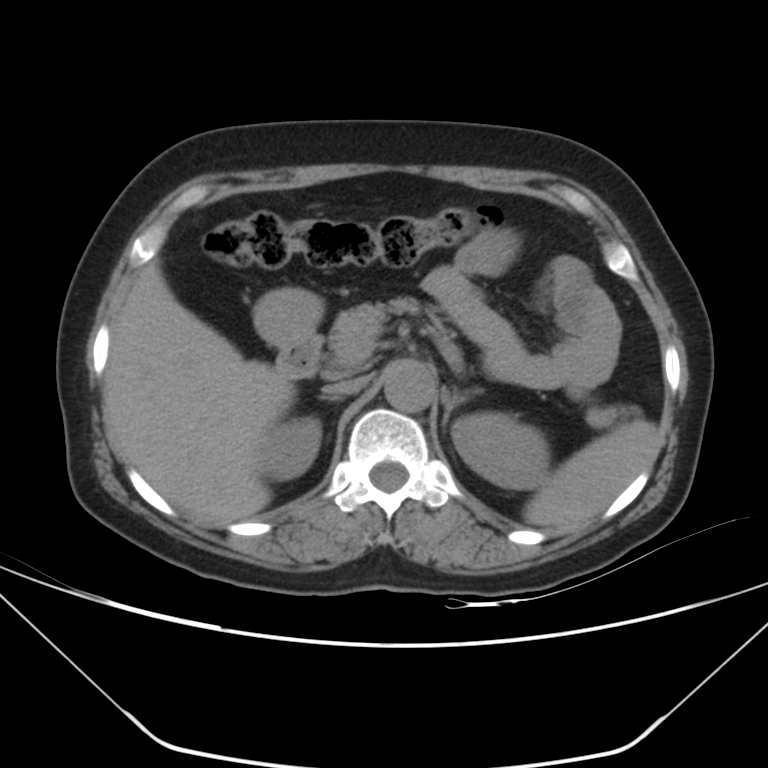
Computed tomography, abdomen · axial plane, index 62 · soft-tissue window (W 400 / L 40) · 768x768 px · scan has 15 labeled organs (counted over the whole 3D scan, not this slice; an organ is boxed only where this slice passes through it)
Coordinates as <box>x1,y1,x2,y2</box> in pixels.
liver: <box>105,260,295,524</box>
left adrenal gland: <box>441,388,481,432</box>
left kidney: <box>452,411,550,489</box>
right kidney: <box>258,416,321,481</box>
inferior vena cava: <box>322,377,367,395</box>
pancreas: <box>329,296,424,362</box>
stomach: <box>253,288,323,345</box>
duodenum: <box>278,329,321,377</box>
right adrenal gland: <box>319,395,339,402</box>
aorta: <box>383,360,435,412</box>
spleen: <box>523,419,657,527</box>